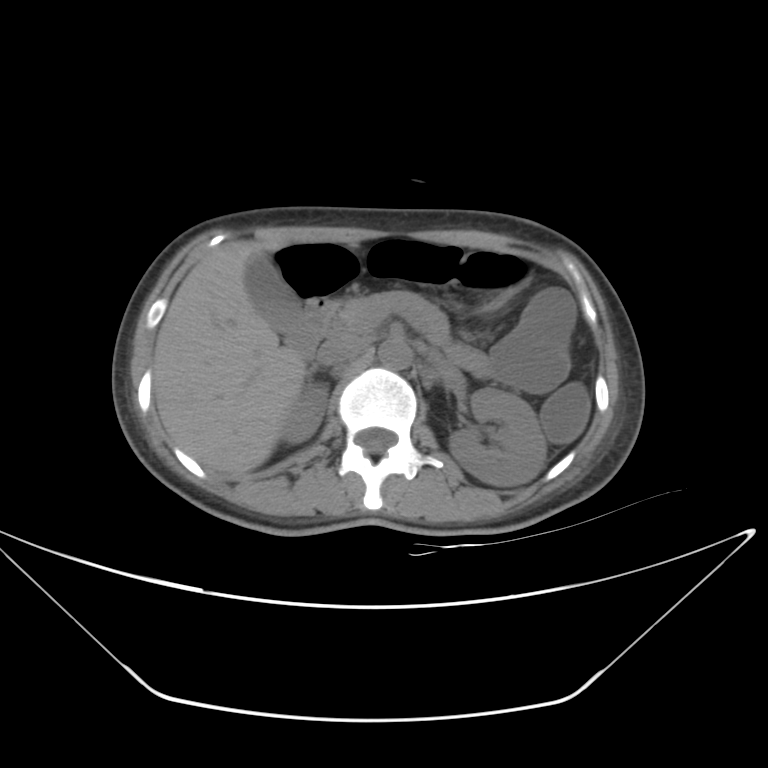 Abdominal CT. axial view. soft-tissue window. 768x768 px
{"organs":{"right kidney":[282,383,328,443],"left kidney":[448,387,547,485],"gall bladder":[244,251,315,357],"liver":[153,241,307,475],"stomach":[496,285,513,301],"aorta":[378,340,412,370],"inferior vena cava":[317,334,367,365],"pancreas":[336,291,449,344],"right adrenal gland":[307,365,319,380],"duodenum":[296,299,336,344]}}